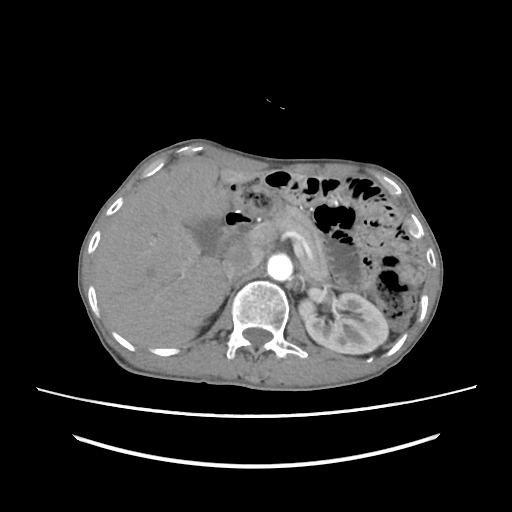
Abdominal CT — axial view — abdomen soft-tissue window — 15 organs annotated in this scan (counted over the whole 3D scan, not this slice; an organ is boxed only where this slice passes through it)
{"organs":{"left kidney":[299,293,388,354],"gall bladder":[191,219,227,254],"liver":[92,157,265,347],"aorta":[267,253,292,280],"inferior vena cava":[222,247,261,280],"pancreas":[271,205,329,283],"right adrenal gland":[214,280,232,311],"left adrenal gland":[300,271,312,283],"duodenum":[224,210,252,250]}}